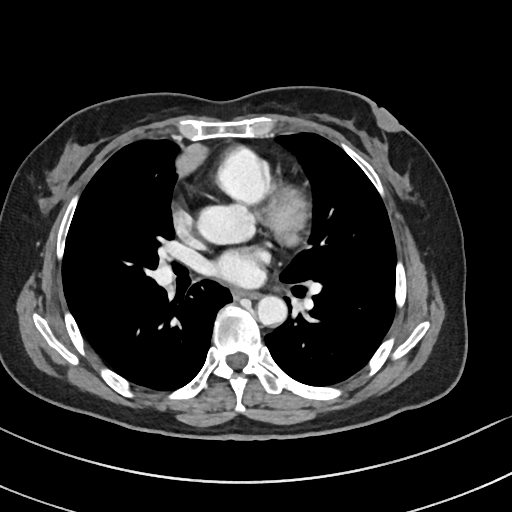 Lower-chest slice from an abdominal CT, just above the liver and spleen; axial view
No part of the heart or lungs is labeled in this dataset, so neither has a box here.
<organs><organ name="esophagus" x1="233" y1="291" x2="258" y2="299"/><organ name="aorta" x1="258" y1="296" x2="287" y2="325"/></organs>